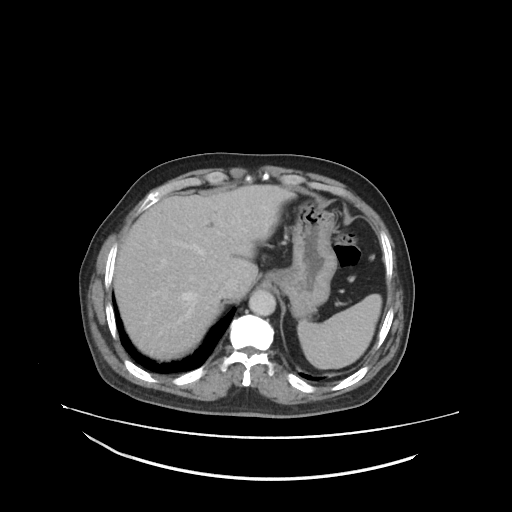
CT, abdomen/pelvis; Axial slice 74/116
Each box given as x1,y1,x2,y2.
liver: x1=114, y1=184, x2=295, y2=361
aorta: x1=249, y1=290, x2=276, y2=316
stomach: x1=268, y1=198, x2=336, y2=318
inferior vena cava: x1=219, y1=280, x2=245, y2=302
spleen: x1=296, y1=293, x2=381, y2=369